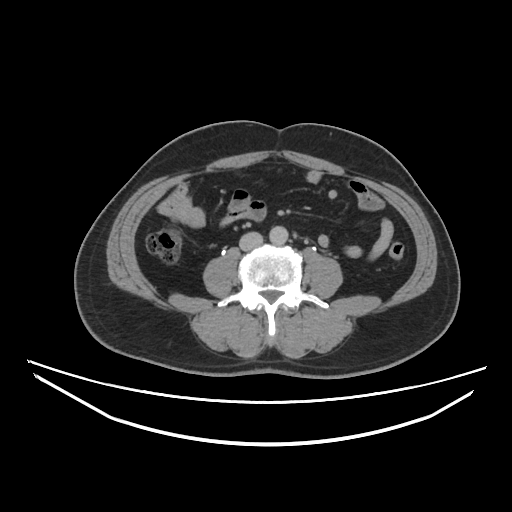

CT, abdomen/pelvis; axial view; 55-year-old male patient
Bounding boxes in pixels, one row per box: x1, y1 is the top-left corner and x2, y2 the bottom-right.
| organ | x1 | y1 | x2 | y2 |
|---|---|---|---|---|
| aorta | 270 | 224 | 288 | 243 |
| inferior vena cava | 240 | 232 | 262 | 249 |